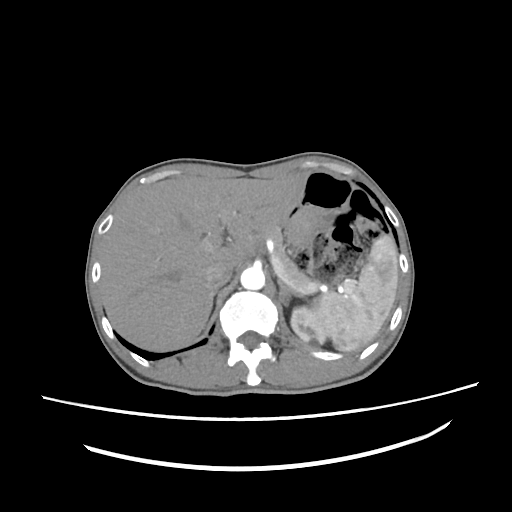

CT, abdomen/pelvis · axial view
{"organs":{"spleen":[312,234,398,351],"left kidney":[290,306,327,347],"liver":[100,172,308,350],"aorta":[240,266,264,289],"inferior vena cava":[204,261,233,289],"pancreas":[266,227,317,294],"left adrenal gland":[278,281,300,306]}}